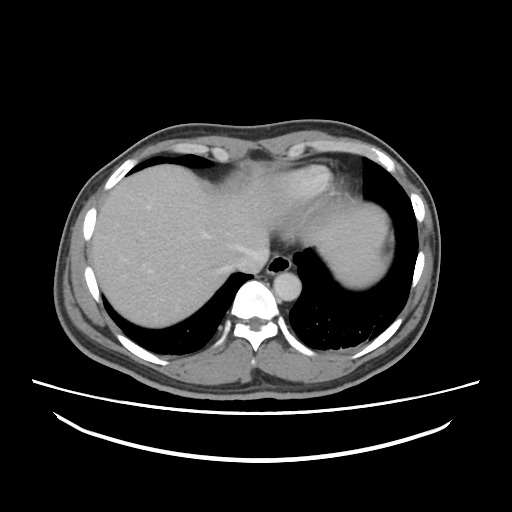

CT abdomen — Axial slice 92/133 — soft-tissue window — 512x512 px
Bounding boxes as [x1, y1, x2, y2] in pixel coordinates.
spleen: [328, 250, 387, 287]
esophagus: [266, 255, 291, 274]
liver: [91, 165, 388, 327]
aorta: [273, 271, 301, 300]
inferior vena cava: [234, 248, 269, 273]